Abdominal CT reaching into the chest; this slice is in the chest; Axial slice 265/291; 15 organs annotated in this scan (counted over the whole 3D scan, not this slice; an organ is boxed only where this slice passes through it)
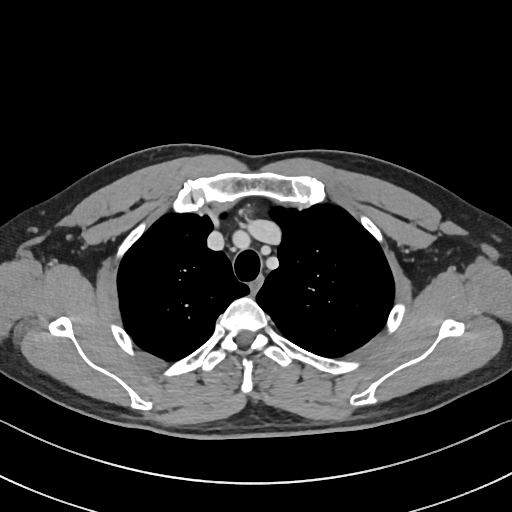
At this level of the chest this dataset labels only the esophagus and the aorta, and each is boxed only where it is labeled; the heart and lungs are never labeled.
<organs><organ name="esophagus" x1="250" y1="275" x2="261" y2="294"/></organs>